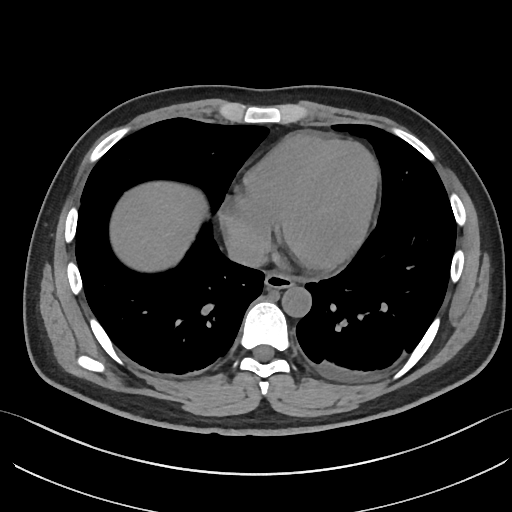 CT abdomen. axial view. abdomen soft-tissue window. SOMATOM Force scanner
One row per box, in pixels: columns x1 and y1 give the top-left corner, x2 and y2 the bottom-right.
| organ | x1 | y1 | x2 | y2 |
|---|---|---|---|---|
| liver | 112 | 183 | 205 | 270 |
| inferior vena cava | 227 | 238 | 266 | 267 |
| aorta | 281 | 286 | 311 | 317 |
| esophagus | 264 | 272 | 294 | 288 |